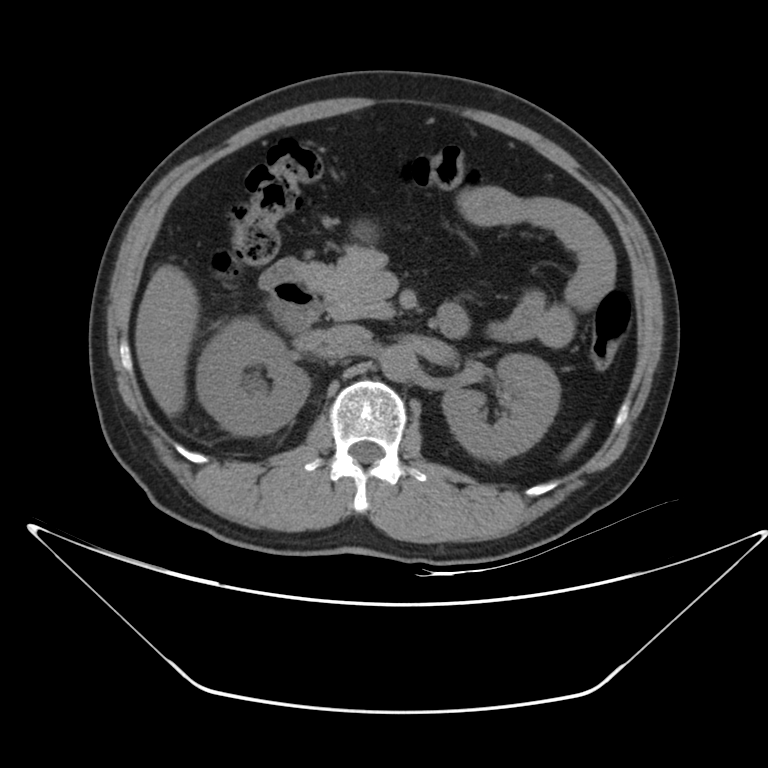 CT, abdomen/pelvis. axial plane, index 64. soft-tissue window (W 400 / L 40). 768x768 px. 45-year-old male patient
Boxes: x1 y1 x2 y2 (pixel coords, space-separated).
Organ bounding boxes:
- inferior vena cava: 326 324 372 348
- right kidney: 196 317 309 434
- spleen: 562 426 590 458
- duodenum: 259 257 464 333
- pancreas: 301 248 393 319
- liver: 135 264 198 416
- aorta: 380 345 418 382
- stomach: 356 224 370 236
- left kidney: 442 353 560 460